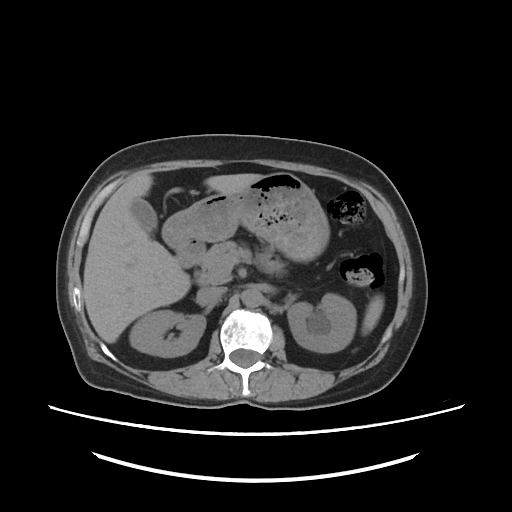

CT abdomen; axial view; soft-tissue window; 512x512 px
Boxes: x1 y1 x2 y2 (pixel coords, space-separated).
Organ bounding boxes:
- spleen: 363 295 383 333
- right kidney: 130 310 206 357
- left kidney: 288 294 354 351
- gall bladder: 131 198 157 234
- liver: 81 173 262 342
- stomach: 160 173 328 268
- aorta: 242 288 262 307
- inferior vena cava: 197 286 226 303
- pancreas: 196 241 285 285